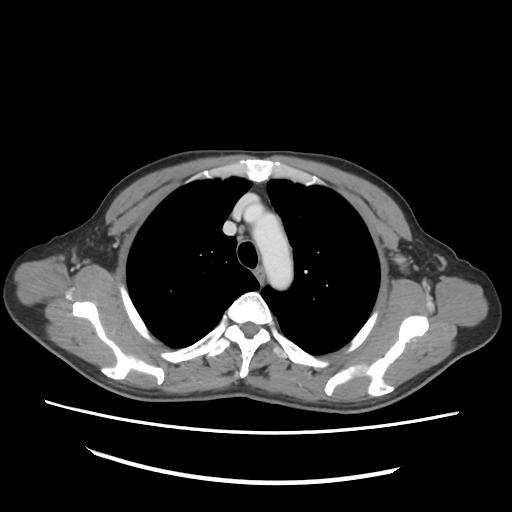

CT of the abdomen extending into the chest, slice through the chest. axial plane, index 100. soft-tissue window. 512x512 px
At this level of the chest no structure but the esophagus and the aorta has a label in this dataset, and those two are boxed only where they are labeled.
Bounding boxes as [x1, y1, x2, y2] in pixel coordinates.
Organ bounding boxes:
- esophagus: [254, 267, 264, 283]
- aorta: [248, 205, 292, 289]